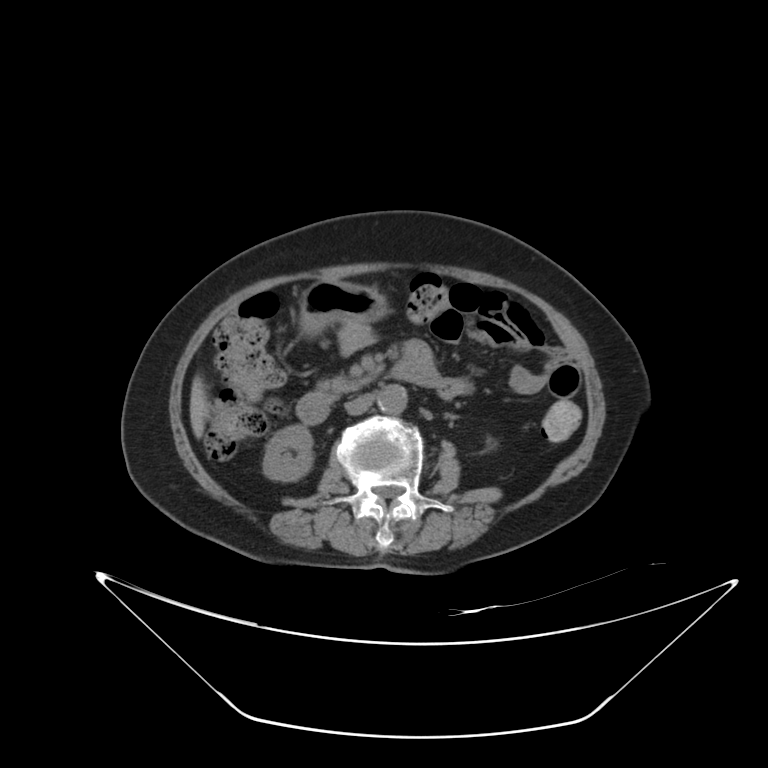

CT abdomen — axial view — abdomen soft-tissue window — acquired on Brilliance16
Coordinates as <box>x1,y1,x2,y2</box> in pixels. 7 labeled organs on this slice — inferior vena cava at <box>344,392,375,414</box>; aorta at <box>378,384,407,413</box>; liver at <box>190,378,208,437</box>; duodenum at <box>296,359,441,424</box>; right kidney at <box>262,425,313,481</box>; stomach at <box>299,280,387,335</box>; pancreas at <box>317,376,372,397</box>.